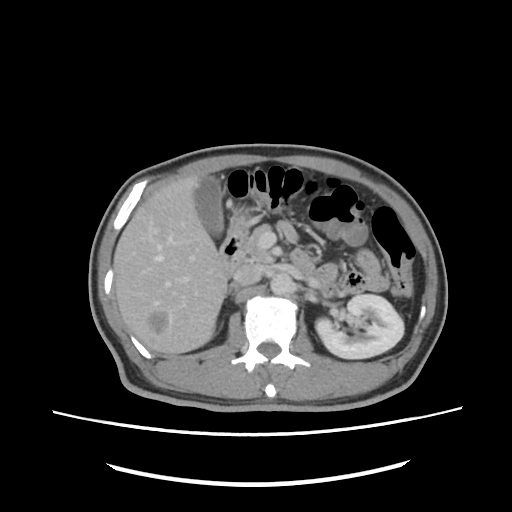 Abdominal CT — axial view — W/L 400/40 HU — 54-year-old male patient — scan has 15 labeled organs (that count is for the whole scan; organs this slice misses have no box)
Bounding boxes as [x1, y1, x2, y2] in pixel coordinates. The annotated organs in this slice are: aorta at [270, 272, 294, 294], right adrenal gland at [226, 284, 238, 296], liver at [113, 175, 228, 353], duodenum at [220, 220, 314, 277], left kidney at [315, 294, 404, 358], gall bladder at [193, 174, 223, 236], inferior vena cava at [233, 264, 264, 285], pancreas at [244, 224, 273, 262].